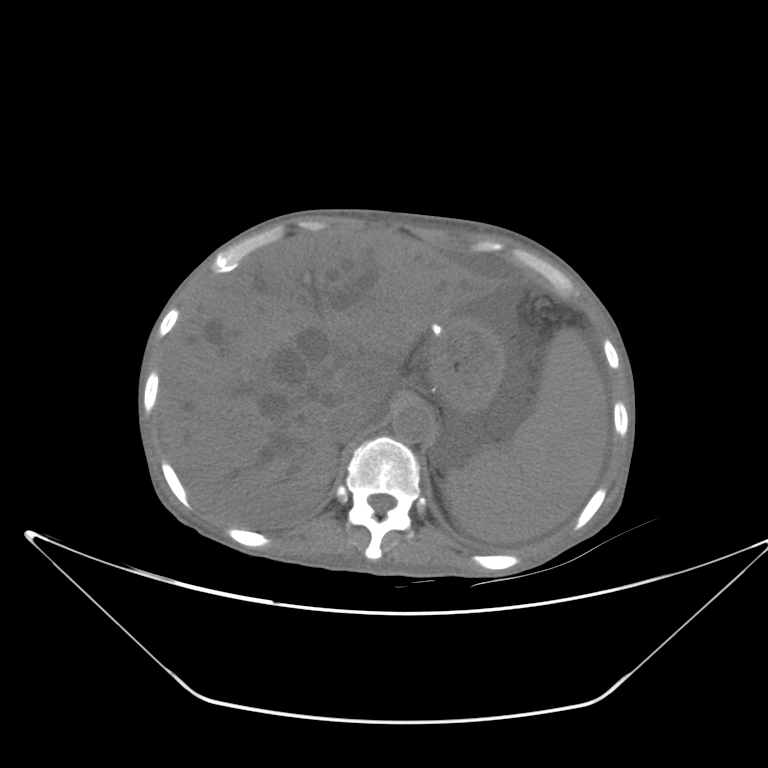
Computed tomography, abdomen; axial plane, index 81; 56-year-old female patient
{"organs":{"spleen":[443,327,609,544],"liver":[158,232,481,528],"stomach":[426,311,504,416],"aorta":[392,402,433,443],"inferior vena cava":[330,404,377,442],"left adrenal gland":[435,475,439,483]}}